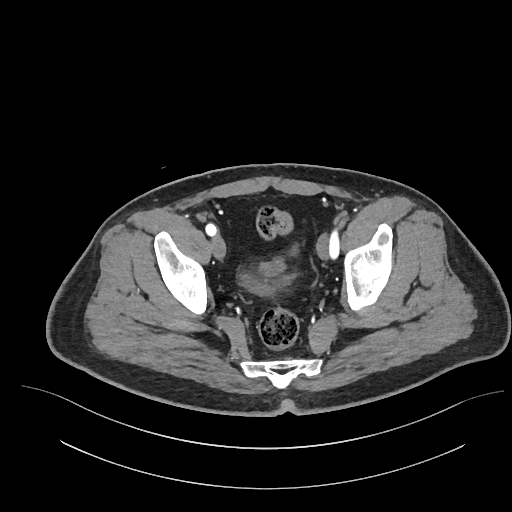

CT abdomen · Axial slice 56/333 · soft-tissue window (W 400 / L 40) · 512x512 px
Bounding boxes in pixels, one row per box: x1, y1 is the top-left corner and x2, y2 the bottom-right.
| organ | x1 | y1 | x2 | y2 |
|---|---|---|---|---|
| bladder | 240 | 273 | 294 | 295 |